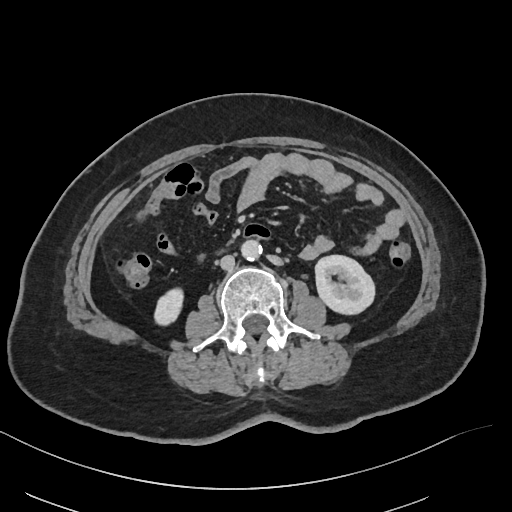
CT abdomen; Axial slice 134/244; W/L 400/40 HU
Boxes: x1 y1 x2 y2 (pixel coords, space-separated).
Organ bounding boxes:
- right kidney: 154 288 183 325
- left kidney: 315 255 374 314
- aorta: 241 240 262 260
- inferior vena cava: 220 255 235 270